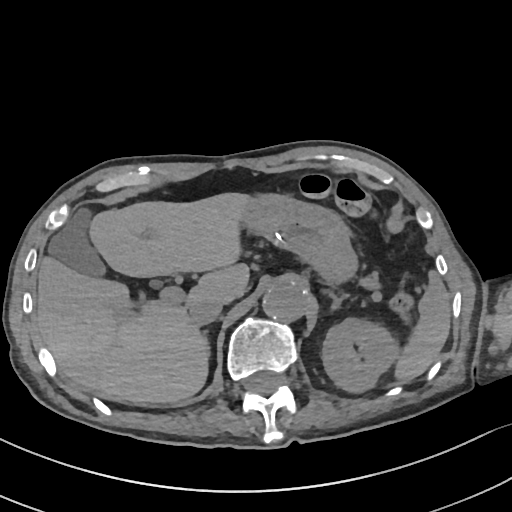

CT abdomen; axial view
Organ boxes in pixel coordinates; each row gives the top-left (x1, y1) and bottom-right (x2, y2) corners.
| organ | x1 | y1 | x2 | y2 |
|---|---|---|---|---|
| spleen | 397 | 273 | 451 | 379 |
| left kidney | 322 | 318 | 396 | 392 |
| gall bladder | 49 | 207 | 105 | 276 |
| liver | 36 | 192 | 253 | 401 |
| stomach | 242 | 195 | 358 | 281 |
| aorta | 263 | 281 | 307 | 322 |
| inferior vena cava | 189 | 295 | 223 | 325 |
| left adrenal gland | 331 | 294 | 350 | 310 |